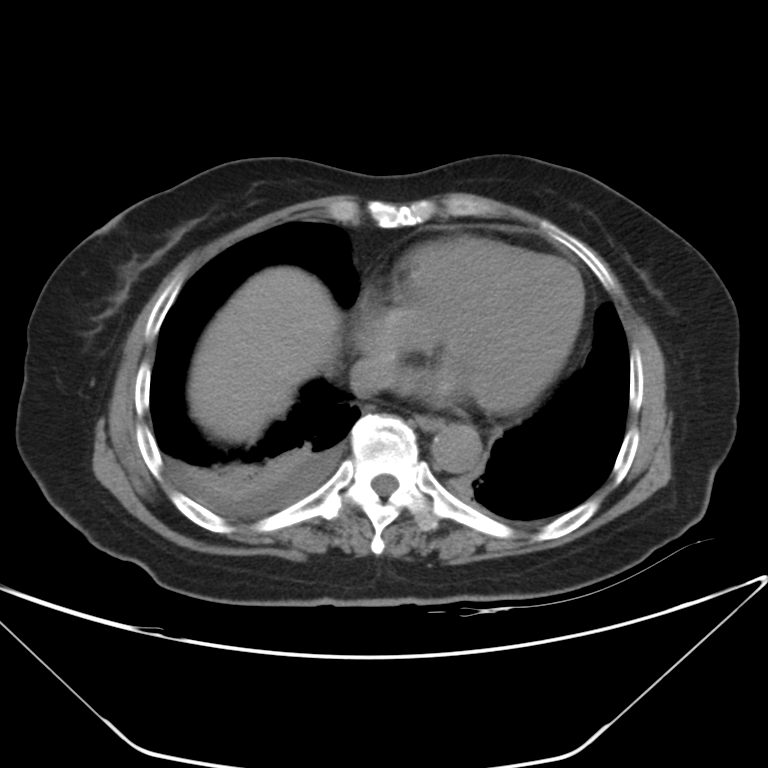
Computed tomography, abdomen. axial plane, index 85. soft-tissue window (W 400 / L 40)
Organ boxes in pixel coordinates; each row gives the top-left (x1, y1) and bottom-right (x2, y2) corners.
| organ | x1 | y1 | x2 | y2 |
|---|---|---|---|---|
| esophagus | 416 | 416 | 442 | 430 |
| liver | 189 | 266 | 341 | 441 |
| aorta | 432 | 423 | 481 | 473 |
| inferior vena cava | 349 | 353 | 398 | 397 |